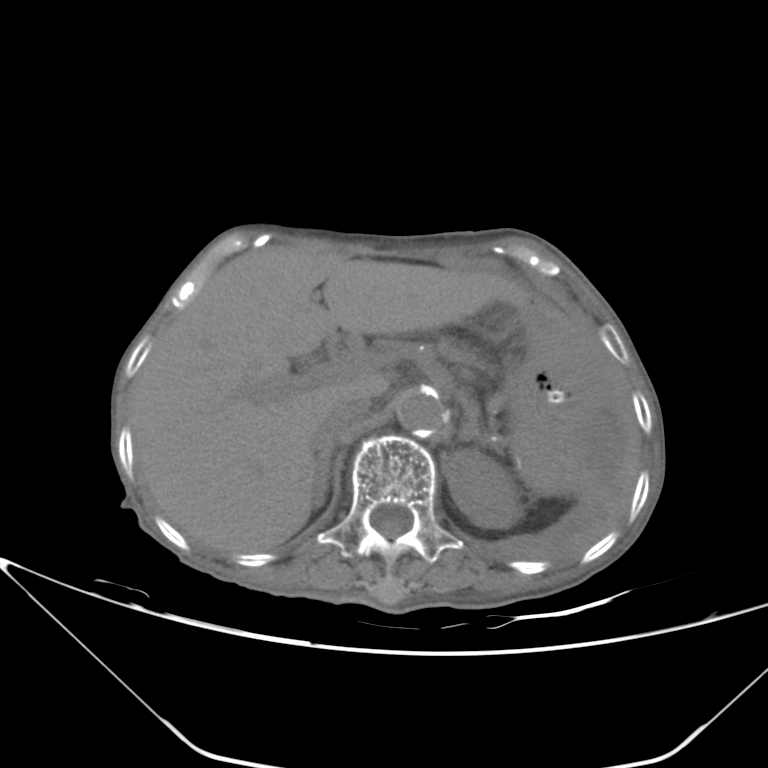
Computed tomography, abdomen; axial view; soft-tissue window; 80-year-old female patient
One row per box, in pixels: columns x1 and y1 give the top-left corner, x2 and y2 the bottom-right.
| organ | x1 | y1 | x2 | y2 |
|---|---|---|---|---|
| left adrenal gland | 457 | 391 | 485 | 447 |
| stomach | 481 | 298 | 598 | 458 |
| aorta | 396 | 388 | 444 | 435 |
| left kidney | 446 | 450 | 522 | 528 |
| inferior vena cava | 315 | 397 | 369 | 448 |
| right adrenal gland | 313 | 442 | 333 | 509 |
| liver | 130 | 245 | 529 | 553 |